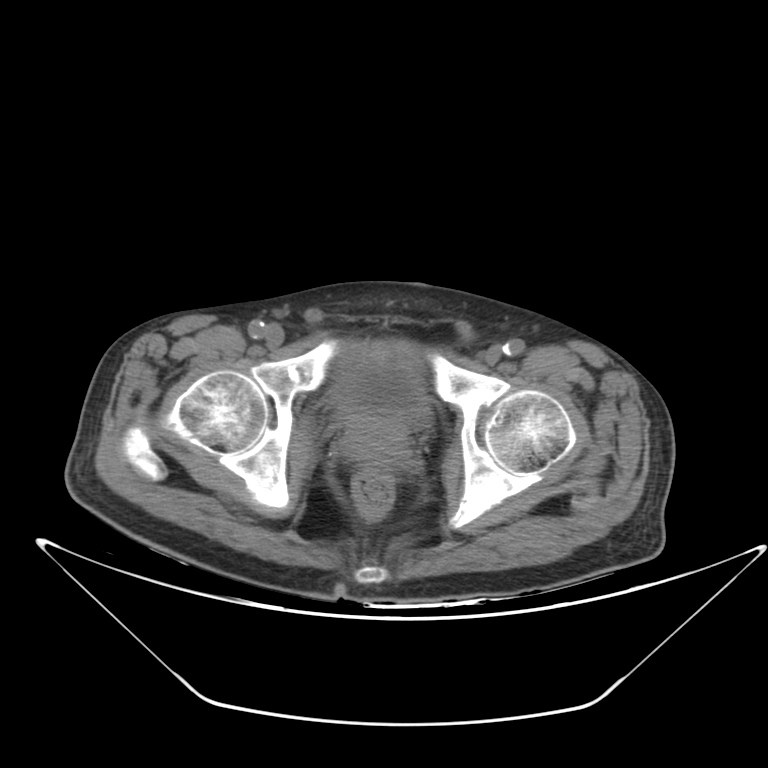 CT abdomen · axial view · soft-tissue window (W 400 / L 40) · 768x768 px · 69-year-old male patient
Each box given as x1,y1,x2,y2.
bladder: x1=328, y1=341, x2=434, y2=427
prostate/uterus: x1=336, y1=410, x2=427, y2=473